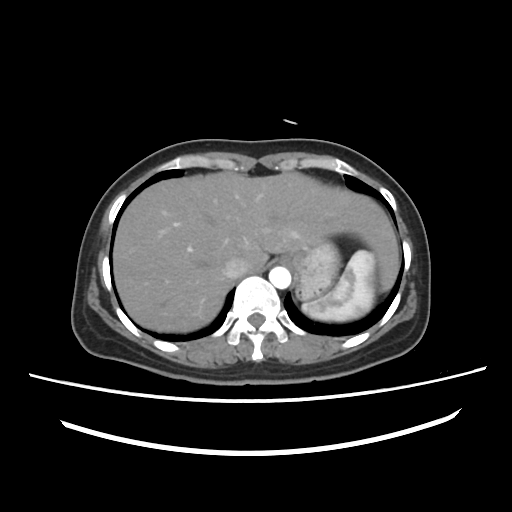

Computed tomography, abdomen. axial view
Boxes: x1:y1:x2:y2 in pixels.
stomach: 282:239:340:300
liver: 113:172:399:331
spleen: 302:250:383:321
inferior vena cava: 224:257:247:278
aorta: 269:266:290:288